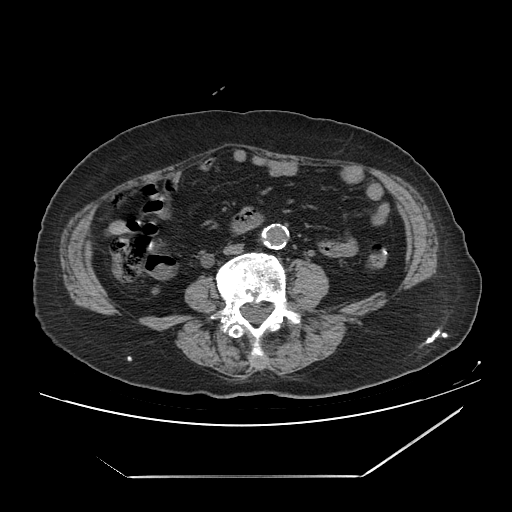 Computed tomography, abdomen. axial view. soft-tissue window. 512x512 px. 15 organs annotated in this scan (counted over the whole 3D scan, not this slice; an organ is boxed only where this slice passes through it)
Coordinates as <box>x1,y1,x2,y2</box> in pixels.
Organ bounding boxes:
- aorta: <box>264,224,289,249</box>
- inferior vena cava: <box>223,243,243,255</box>